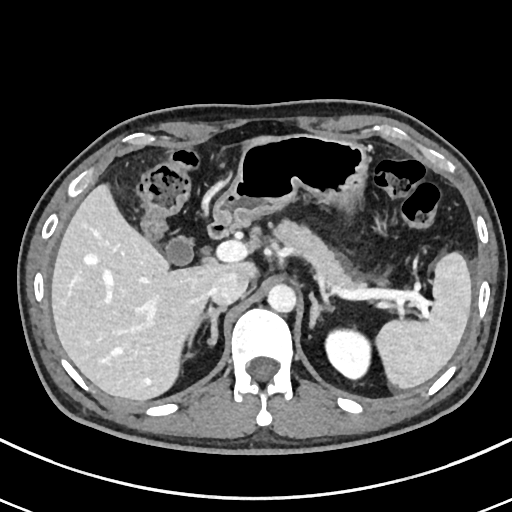 Computed tomography, abdomen — Axial slice 165/218 — W/L 400/40 HU — 512x512 px — scan has 15 labeled organs (that count is for the whole scan; organs this slice misses have no box)
<organs><organ name="duodenum" x1="208" y1="218" x2="236" y2="239"/><organ name="spleen" x1="376" y1="252" x2="471" y2="389"/><organ name="gall bladder" x1="165" y1="236" x2="192" y2="265"/><organ name="left adrenal gland" x1="309" y1="292" x2="334" y2="327"/><organ name="aorta" x1="267" y1="283" x2="296" y2="312"/><organ name="inferior vena cava" x1="209" y1="270" x2="248" y2="306"/><organ name="stomach" x1="214" y1="134" x2="368" y2="226"/><organ name="right adrenal gland" x1="188" y1="306" x2="226" y2="345"/><organ name="left kidney" x1="325" y1="329" x2="370" y2="379"/><organ name="liver" x1="51" y1="136" x2="273" y2="401"/><organ name="pancreas" x1="272" y1="219" x2="362" y2="287"/></organs>